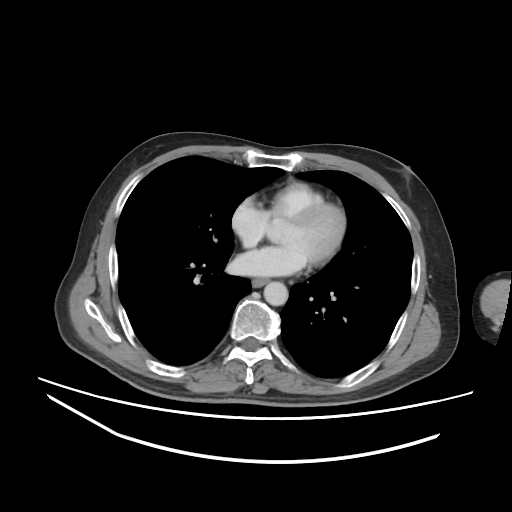

Lower-chest slice from an abdominal CT, just above the liver and spleen — axial view — soft-tissue window, W/L 400/40 — scan has 15 labeled organs (a whole-scan count: organs this slice does not pass through have no box)
The heart and lungs are never labeled in this dataset, so they have no box on this slice.
Each box given as x1,y1,x2,y2.
esophagus: x1=252, y1=278, x2=268, y2=287
aorta: x1=263, y1=281, x2=288, y2=305